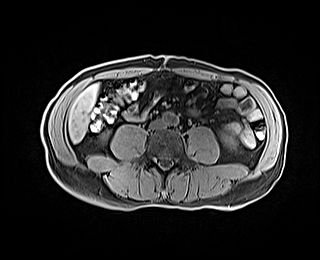
MRI, abdomen · axial plane, index 13 · 320x260 px
{"organs":{"aorta":[162,112,178,125],"right kidney":[98,129,111,143],"liver":[68,83,98,143],"left kidney":[220,132,236,147]}}